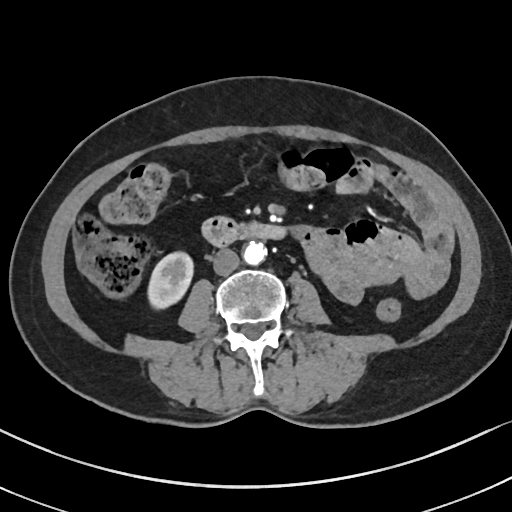 CT abdomen — axial view
<organs><organ name="right kidney" x1="148" y1="251" x2="194" y2="308"/><organ name="aorta" x1="243" y1="241" x2="267" y2="264"/><organ name="inferior vena cava" x1="213" y1="249" x2="241" y2="275"/><organ name="duodenum" x1="200" y1="217" x2="286" y2="246"/></organs>